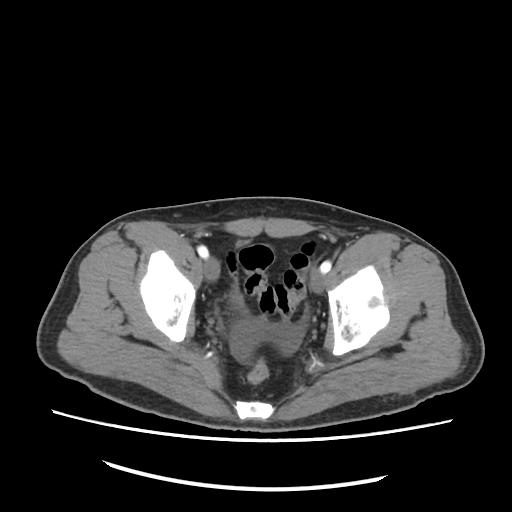 CT, abdomen/pelvis · axial view · W/L 400/40 HU · 512x512 px
<organs><organ name="bladder" x1="231" y1="294" x2="242" y2="305"/></organs>